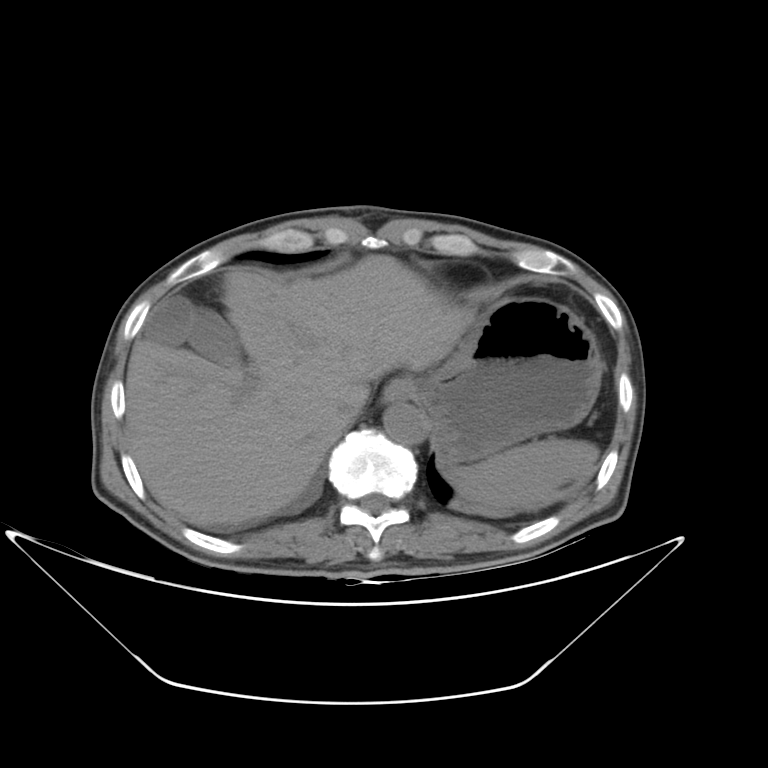

CT, abdomen/pelvis; axial view; soft-tissue window (W 400 / L 40); 768x768 px
Coordinates as <box>x1,y1,x2,y2</box> in pixels.
spleen: <box>442,436,599,510</box>
gall bladder: <box>142,295,243,365</box>
esophagus: <box>383,378,412,402</box>
liver: <box>126,254,472,527</box>
stomach: <box>409,298,603,466</box>
aorta: <box>383,403,426,444</box>
inferior vena cava: <box>334,388,368,425</box>